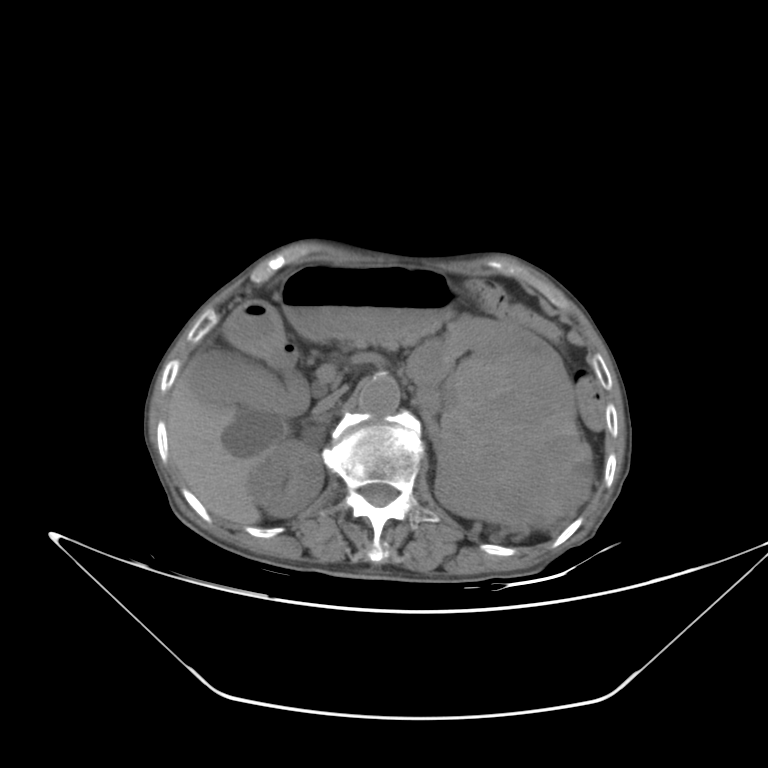 Computed tomography, abdomen · axial plane, index 61 · 15 organs annotated in this scan (counted over the whole 3D scan, not this slice; an organ is boxed only where this slice passes through it)
<organs><organ name="inferior vena cava" x1="314" y1="383" x2="352" y2="415"/><organ name="left kidney" x1="407" y1="313" x2="591" y2="528"/><organ name="pancreas" x1="350" y1="306" x2="452" y2="349"/><organ name="gall bladder" x1="191" y1="351" x2="329" y2="413"/><organ name="aorta" x1="361" y1="373" x2="399" y2="414"/><organ name="stomach" x1="281" y1="265" x2="459" y2="340"/><organ name="right adrenal gland" x1="301" y1="411" x2="333" y2="425"/><organ name="right kidney" x1="249" y1="441" x2="324" y2="515"/><organ name="duodenum" x1="225" y1="300" x2="295" y2="374"/><organ name="liver" x1="168" y1="366" x2="292" y2="522"/></organs>